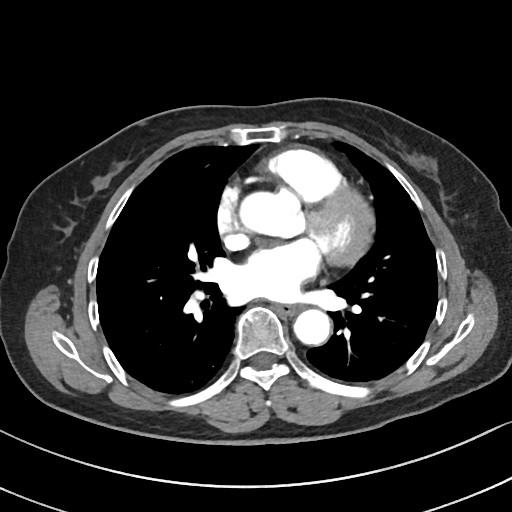

CT of the abdomen reaching into the lower chest, slice just above the liver and spleen. axial plane, index 224. soft-tissue window (W 400 / L 40)
The heart and lungs are never labeled in this dataset, so they have no box on this slice.
Organ boxes in pixel coordinates; each row gives the top-left (x1, y1) and bottom-right (x2, y2) corners.
| organ | x1 | y1 | x2 | y2 |
|---|---|---|---|---|
| aorta | 239 | 188 | 305 | 237 |
| aorta | 294 | 310 | 330 | 345 |
| esophagus | 277 | 305 | 297 | 315 |